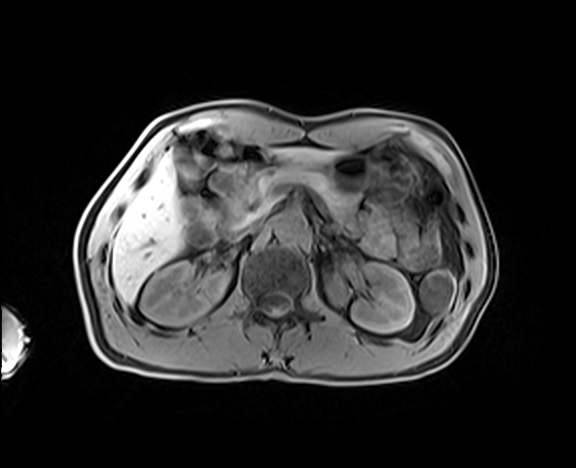
MRI, abdomen. Axial slice 29/72. 576x468 px
Bounding boxes as [x1, y1, x2, y2] in pixel coordinates.
inferior vena cava: [234, 218, 260, 239]
gall bladder: [176, 159, 198, 180]
liver: [112, 148, 337, 303]
right kidney: [140, 261, 229, 324]
left kidney: [327, 262, 414, 332]
aorta: [275, 211, 306, 242]
stomach: [260, 154, 412, 199]
pancreas: [250, 168, 356, 216]
duodenum: [217, 161, 262, 239]